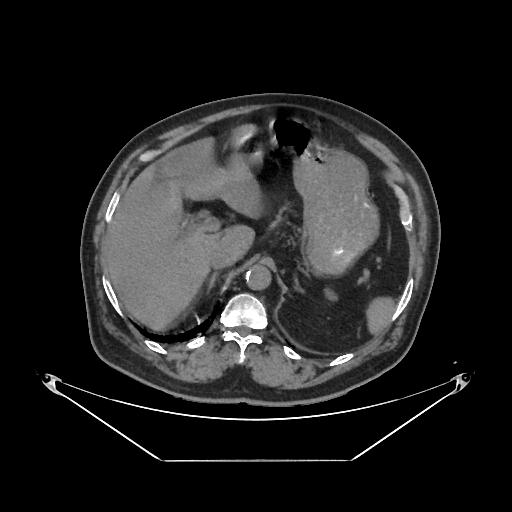 CT, abdomen/pelvis; Axial slice 272/353; abdomen soft-tissue window; 512x512 px; 15 organs annotated in this scan (counted over the whole 3D scan, not this slice; an organ is boxed only where this slice passes through it)
Boxes are (x1, y1, x2, y2) in pixels.
Organ bounding boxes:
- spleen: (367, 298, 394, 332)
- left kidney: (324, 288, 338, 301)
- liver: (105, 123, 257, 330)
- stomach: (242, 117, 378, 274)
- aorta: (245, 265, 271, 290)
- inferior vena cava: (209, 249, 236, 268)
- right adrenal gland: (209, 271, 219, 290)
- left adrenal gland: (293, 273, 297, 287)